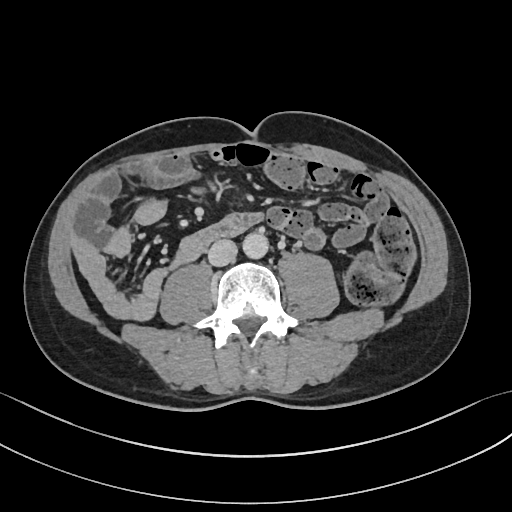

CT abdomen; axial view; soft-tissue window (W 400 / L 40)
One row per box, in pixels: columns x1 and y1 give the top-left corner, x2 and y2 the bottom-right.
| organ | x1 | y1 | x2 | y2 |
|---|---|---|---|---|
| aorta | 242 | 231 | 268 | 258 |
| inferior vena cava | 208 | 239 | 237 | 266 |